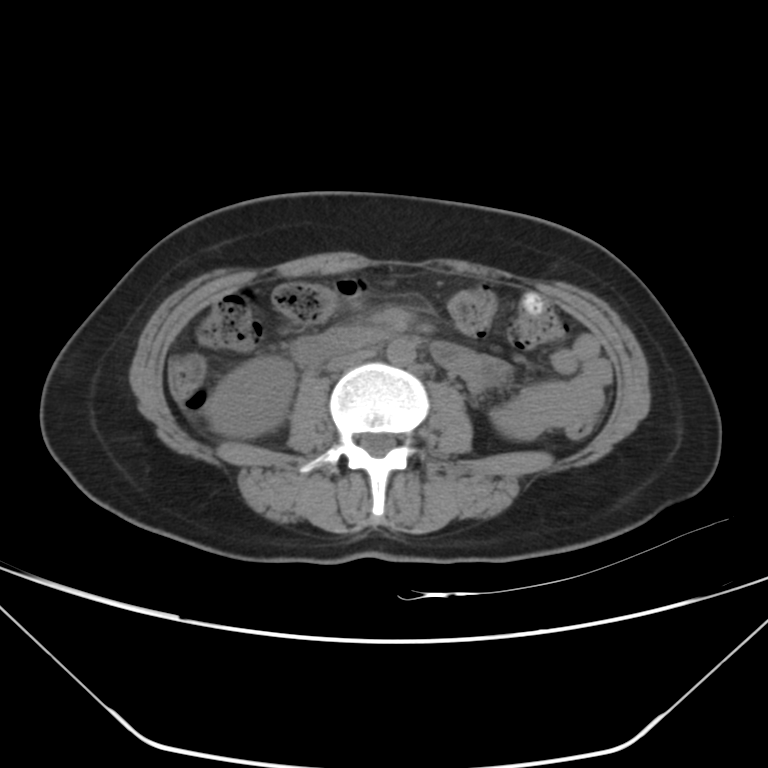

CT abdomen; axial view; soft-tissue window (W 400 / L 40); 32-year-old female patient
One row per box, in pixels: columns x1 and y1 give the top-left corner, x2 and y2 the bottom-right.
| organ | x1 | y1 | x2 | y2 |
|---|---|---|---|---|
| right kidney | 206 | 357 | 295 | 437 |
| aorta | 387 | 338 | 415 | 364 |
| inferior vena cava | 326 | 348 | 373 | 371 |
| duodenum | 291 | 327 | 387 | 364 |